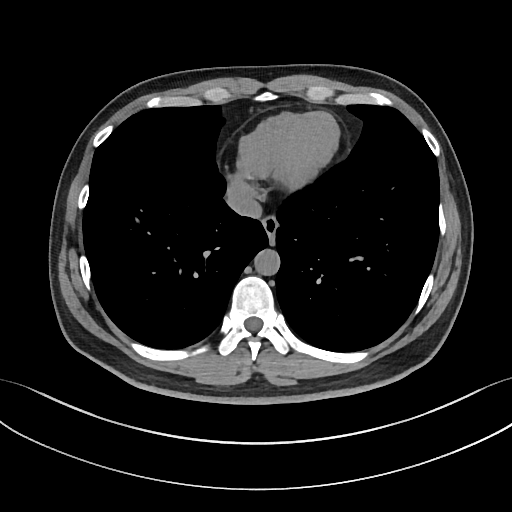
Lower-chest slice from an abdominal CT, just above the liver and spleen — Axial slice 223/225 — 512x512 px — SOMATOM Force scanner
Of the structures in the chest, this dataset labels only the esophagus, the aorta and the inferior vena cava; the heart and lungs have no label.
Boxes: x1:y1:x2:y2 in pixels.
Organ bounding boxes:
- esophagus: 261:217:278:244
- aorta: 254:249:280:275
- inferior vena cava: 226:182:262:218